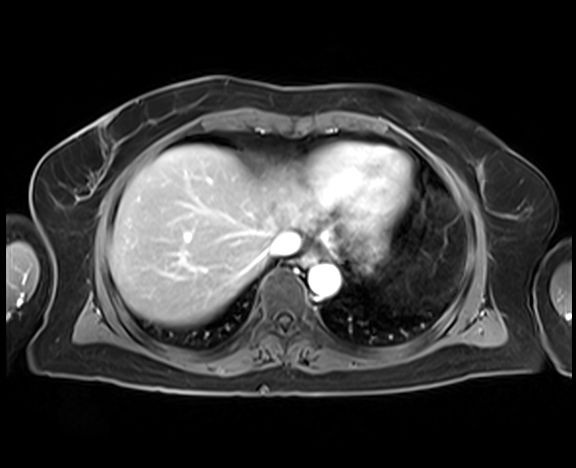
MRI, abdomen; Axial slice 60/72; 576x468 px; 13 organs annotated in this scan (counted over the whole 3D scan, not this slice; an organ is boxed only where this slice passes through it)
<organs><organ name="esophagus" x1="301" y1="251" x2="317" y2="265"/><organ name="liver" x1="110" y1="145" x2="297" y2="325"/><organ name="stomach" x1="359" y1="234" x2="389" y2="264"/><organ name="aorta" x1="308" y1="265" x2="340" y2="297"/><organ name="inferior vena cava" x1="269" y1="229" x2="301" y2="255"/></organs>